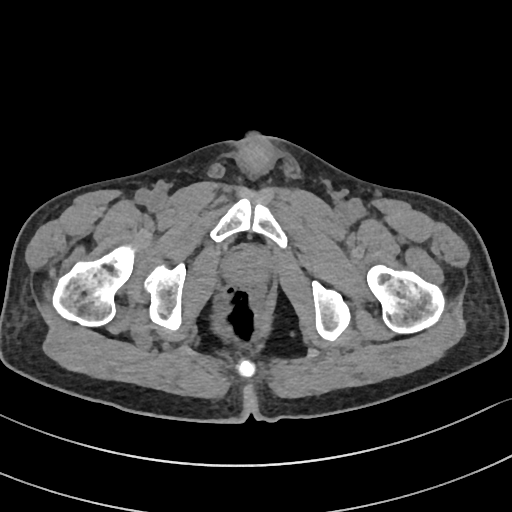
CT abdomen · Axial slice 10/206
{"organs":{"prostate/uterus":[224,250,267,283]}}